Computed tomography, abdomen — axial view — abdomen soft-tissue window — 512x512 px — scan has 15 labeled organs (that count is for the whole scan; organs this slice misses have no box)
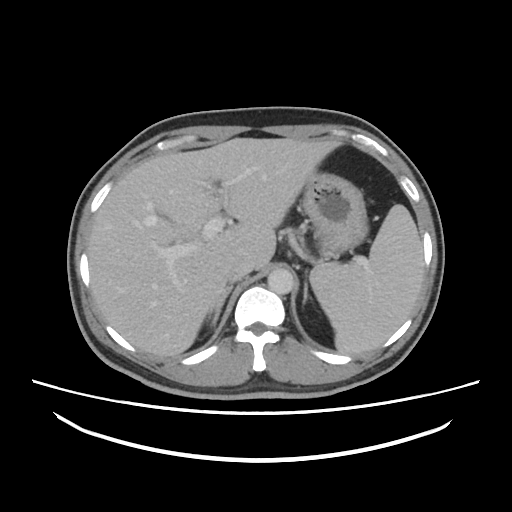
Coordinates as <box>x1,y1,x2,y2</box> in pixels. Labeled organs on this slice: right adrenal gland at <box>207,286,232,328</box>, inferior vena cava at <box>228,258,252,282</box>, spleen at <box>310,204,423,354</box>, left adrenal gland at <box>303,281,308,303</box>, stomach at <box>302,173,368,256</box>, aorta at <box>267,268,294,294</box>, liver at <box>88,138,381,357</box>.